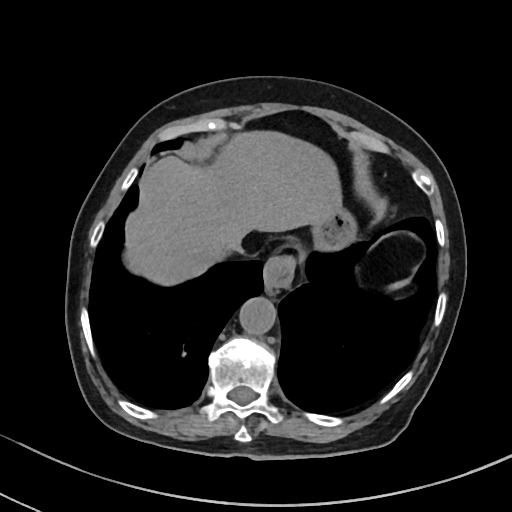

Abdominal CT · axial view · W/L 400/40 HU · 512x512 px · scan has 15 labeled organs (counted over the whole 3D scan, not this slice; an organ is boxed only where this slice passes through it)
Each box given as x1,y1,x2,y2. The annotated organs in this slice are: esophagus at x1=264, y1=254, x2=295, y2=286, liver at x1=125, y1=131, x2=342, y2=284, stomach at x1=311, y1=208, x2=365, y2=279, aorta at x1=239, y1=295, x2=276, y2=334, inferior vena cava at x1=228, y1=237, x2=243, y2=252.